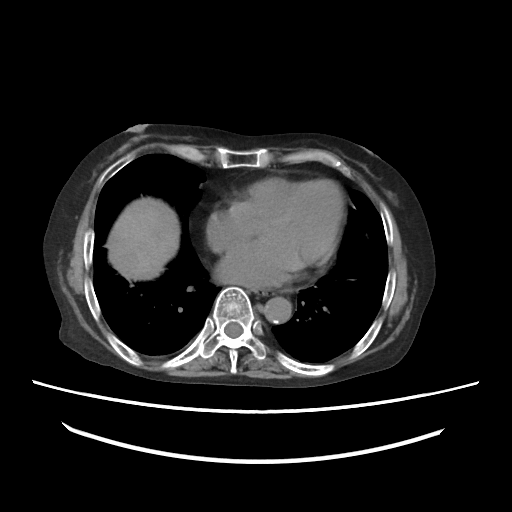

Computed tomography, abdomen — Axial slice 87/89 — abdomen soft-tissue window
{"organs":{"liver":[106,197,179,280],"aorta":[264,297,291,323],"esophagus":[256,289,273,295]}}